Abdominal CT. axial view. abdomen soft-tissue window. acquired on SOMATOM Force. scan has 15 labeled organs (a whole-scan count: organs this slice does not pass through have no box)
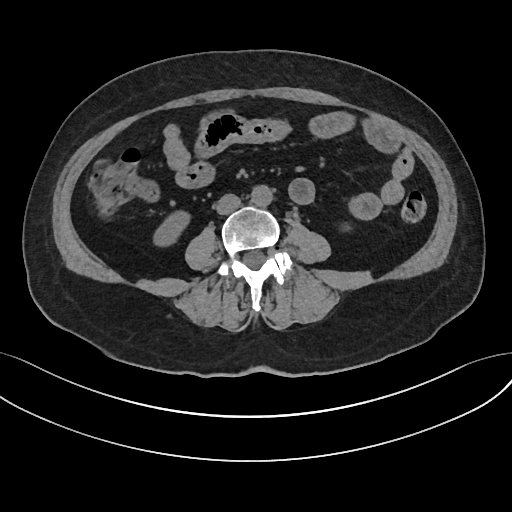 Boxes: x1:y1:x2:y2 in pixels. 3 labeled organs on this slice — inferior vena cava at 216:194:240:214; aorta at 251:185:272:206; right kidney at 153:211:190:246.